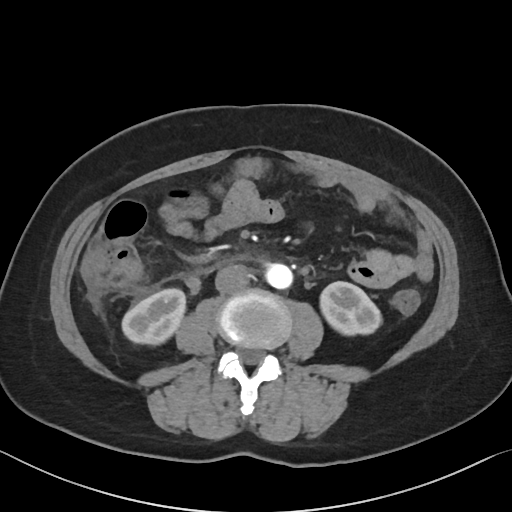 Computed tomography, abdomen · axial view · W/L 400/40 HU
Coordinates as <box>x1,y1,x2,y2</box> in pixels.
aorta: <box>266,263,292,288</box>
right kidney: <box>122,288,185,344</box>
inferior vena cava: <box>215,264,250,294</box>
left kidney: <box>320,281,381,334</box>